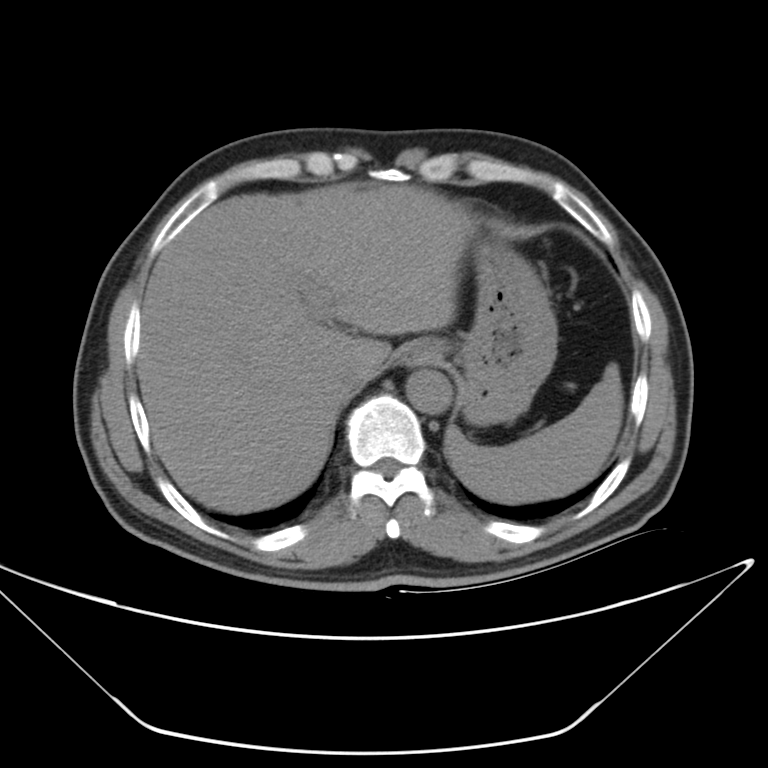

CT abdomen. axial view. soft-tissue window. 768x768 px. 15 organs annotated in this scan (counted over the whole 3D scan, not this slice; an organ is boxed only where this slice passes through it)
Each box given as x1,y1,x2,y2.
Organ bounding boxes:
- spleen: x1=446, y1=362, x2=623, y2=502
- esophagus: x1=403, y1=338, x2=443, y2=367
- liver: x1=136, y1=180, x2=479, y2=512
- stomach: x1=403, y1=240, x2=558, y2=424
- aorta: x1=406, y1=368, x2=450, y2=412
- inferior vena cava: x1=337, y1=370, x2=369, y2=389